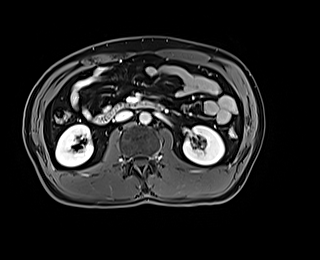
Abdominal MRI — axial view — 1st–99th percentile window — 320x260 px
Each box given as x1,y1,x2,y2.
Organ bounding boxes:
- left kidney: x1=183, y1=125, x2=224, y2=164
- duodenum: x1=94, y1=101, x2=155, y2=124
- inferior vena cava: x1=115, y1=111, x2=132, y2=121
- right kidney: x1=55, y1=124, x2=93, y2=166
- aorta: x1=139, y1=112, x2=151, y2=124